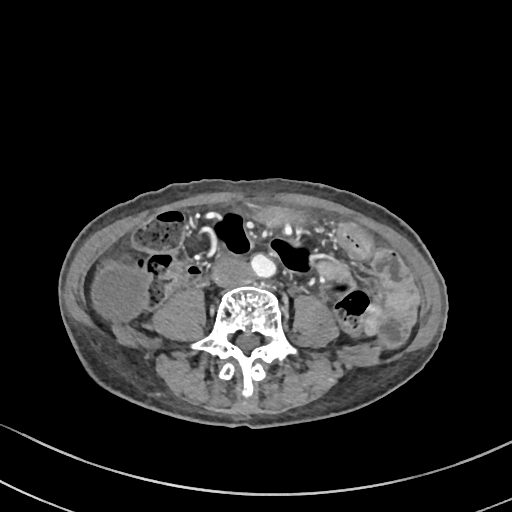 CT abdomen; axial plane, index 128; abdomen soft-tissue window; SOMATOM Force scanner
<organs><organ name="gall bladder" x1="93" y1="265" x2="147" y2="321"/><organ name="stomach" x1="252" y1="206" x2="309" y2="229"/><organ name="aorta" x1="250" y1="254" x2="274" y2="277"/><organ name="inferior vena cava" x1="211" y1="259" x2="250" y2="288"/></organs>